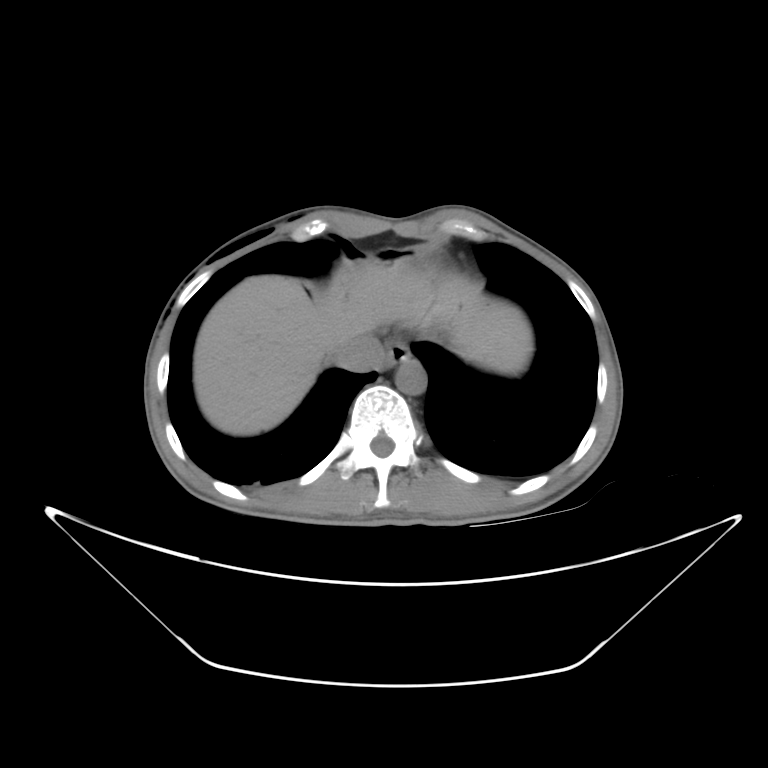

Abdominal CT · axial view · scan has 15 labeled organs (that count is for the whole scan; organs this slice misses have no box)
<organs><organ name="esophagus" x1="379" y1="341" x2="414" y2="367"/><organ name="aorta" x1="395" y1="361" x2="427" y2="395"/><organ name="inferior vena cava" x1="332" y1="334" x2="382" y2="372"/><organ name="liver" x1="192" y1="261" x2="532" y2="435"/></organs>